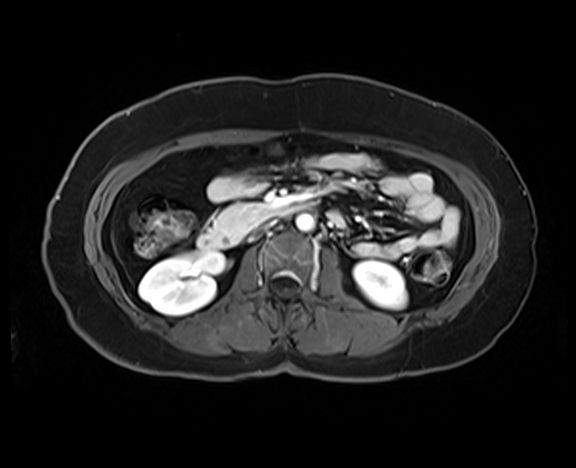

Abdominal MRI; Axial slice 7/72; percentile-normalized; Prisma scanner; scan has 13 labeled organs (a whole-scan count: organs this slice does not pass through have no box)
Bounding boxes in pixels, one row per box: x1, y1 is the top-left corner and x2, y2 the bottom-right.
| organ | x1 | y1 | x2 | y2 |
|---|---|---|---|---|
| aorta | 296 | 213 | 314 | 230 |
| left kidney | 354 | 261 | 406 | 308 |
| inferior vena cava | 256 | 221 | 275 | 232 |
| pancreas | 214 | 203 | 274 | 234 |
| right kidney | 139 | 251 | 223 | 315 |
| duodenum | 197 | 201 | 315 | 248 |